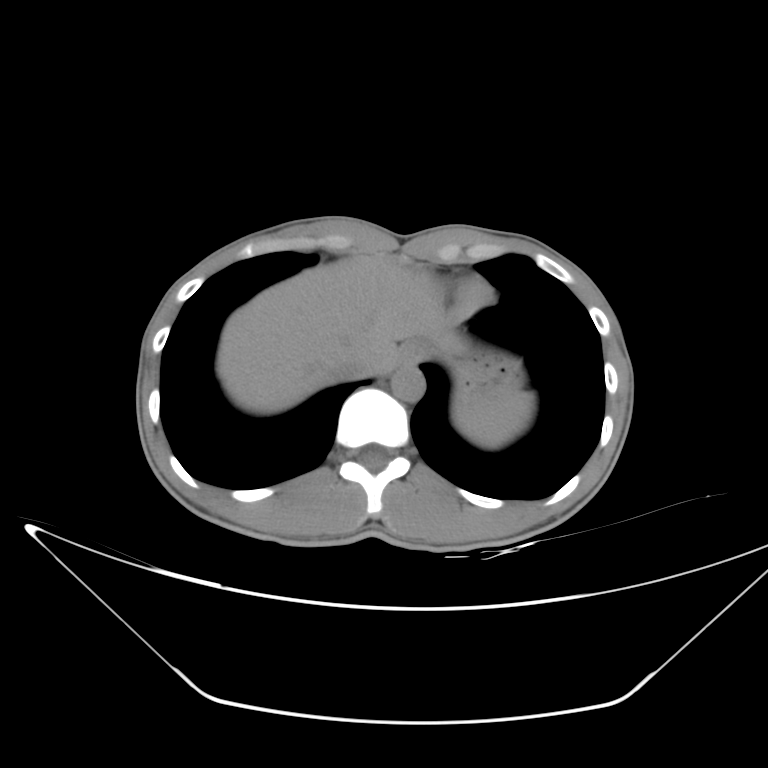
CT abdomen; axial view; scan has 15 labeled organs (counted over the whole 3D scan, not this slice; an organ is boxed only where this slice passes through it)
<organs><organ name="spleen" x1="453" y1="391" x2="534" y2="447"/><organ name="esophagus" x1="399" y1="341" x2="423" y2="365"/><organ name="liver" x1="217" y1="256" x2="467" y2="414"/><organ name="stomach" x1="457" y1="353" x2="522" y2="399"/><organ name="aorta" x1="391" y1="365" x2="424" y2="401"/><organ name="inferior vena cava" x1="334" y1="357" x2="373" y2="379"/></organs>